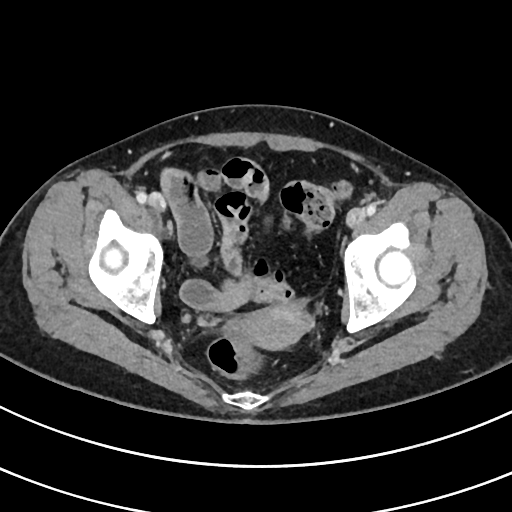
Computed tomography, abdomen — axial plane, index 28 — abdomen soft-tissue window — 15 organs annotated in this scan (that count is for the whole scan; organs this slice misses have no box)
{"organs":{"prostate/uterus":[231,306,309,349]}}